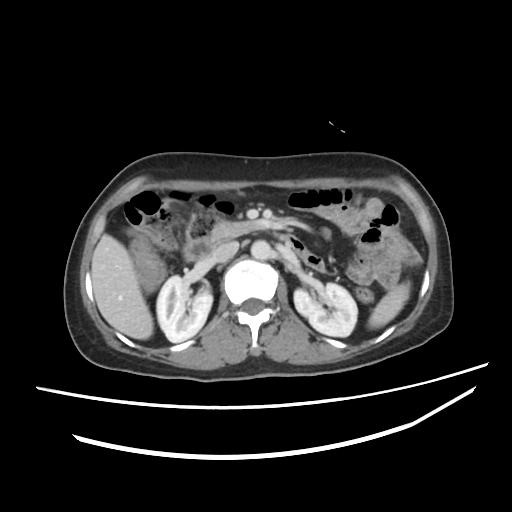 Computed tomography, abdomen · Axial slice 61/118 · soft-tissue window · 54-year-old female patient
{"organs":{"inferior vena cava":[211,241,238,262],"liver":[91,234,153,339],"spleen":[368,282,409,328],"aorta":[251,240,271,259],"pancreas":[210,221,256,243],"duodenum":[183,233,308,261],"left kidney":[294,283,357,337],"right kidney":[156,275,212,342]}}